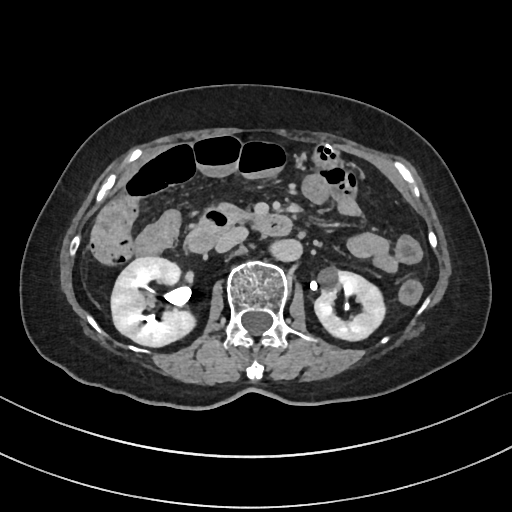 CT abdomen — axial view — 512x512 px — scan has 15 labeled organs (a whole-scan count: organs this slice does not pass through have no box)
Bounding boxes as [x1, y1, x2, y2] in pixel coordinates.
Organ bounding boxes:
- stomach: [312, 144, 341, 168]
- aorta: [271, 240, 300, 260]
- pancreas: [220, 202, 251, 219]
- inferior vena cava: [215, 226, 247, 252]
- right kidney: [111, 257, 195, 346]
- duodenum: [184, 205, 292, 252]
- left kidney: [315, 269, 385, 340]